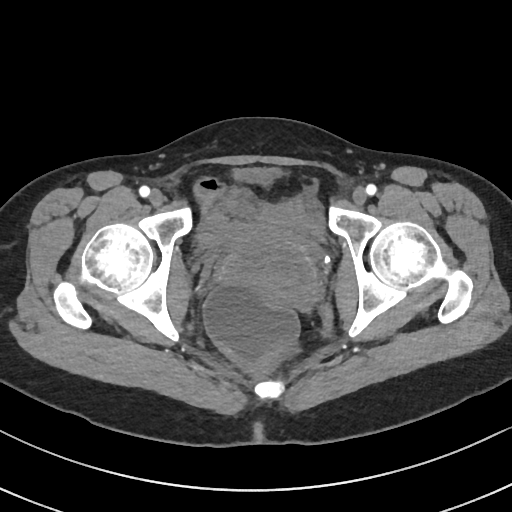
Computed tomography, abdomen; axial view; soft-tissue window (W 400 / L 40)
Boxes: x1 y1 x2 y2 (pixel coords, space-separated).
bladder: 196 220 325 327
prostate/uterus: 218 232 320 306